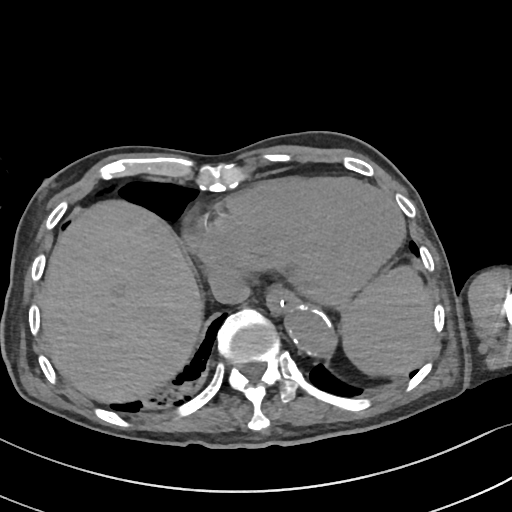
CT, abdomen/pelvis — axial view
{"organs":{"spleen":[342,265,435,375],"inferior vena cava":[210,268,249,303],"aorta":[282,302,333,353],"esophagus":[266,285,299,313],"liver":[39,199,204,403]}}